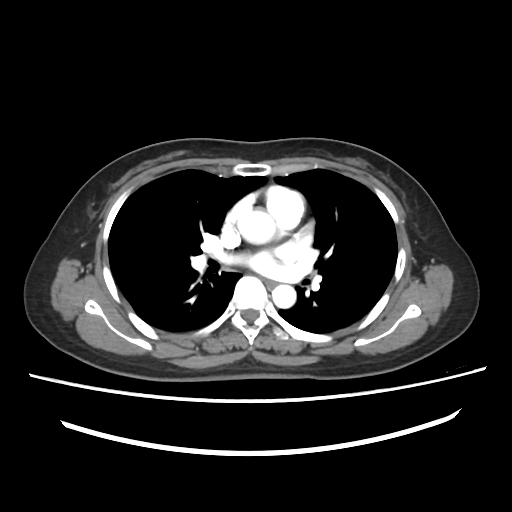
Abdominal CT reaching into the chest; this slice is in the chest. axial view. soft-tissue window, W/L 400/40. 45-year-old female patient
At this level of the chest this dataset labels only the esophagus and the aorta, and each is boxed only where it is labeled; the heart and lungs are never labeled.
Bounding boxes in pixels, one row per box: x1, y1 is the top-left corner and x2, y2 the bottom-right.
| organ | x1 | y1 | x2 | y2 |
|---|---|---|---|---|
| aorta | 238 | 210 | 275 | 243 |
| aorta | 272 | 284 | 296 | 308 |
| esophagus | 264 | 279 | 278 | 290 |